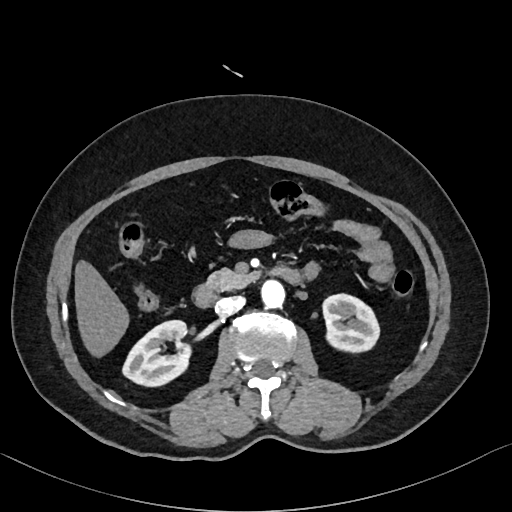

Abdominal CT — axial view — abdomen soft-tissue window — 15 organs annotated in this scan (a whole-scan count: organs this slice does not pass through have no box)
<organs><organ name="right kidney" x1="122" y1="319" x2="191" y2="388"/><organ name="left kidney" x1="322" y1="293" x2="380" y2="352"/><organ name="liver" x1="75" y1="259" x2="130" y2="356"/><organ name="aorta" x1="261" y1="279" x2="285" y2="309"/><organ name="inferior vena cava" x1="215" y1="296" x2="244" y2="316"/><organ name="pancreas" x1="205" y1="269" x2="255" y2="291"/><organ name="duodenum" x1="192" y1="266" x2="303" y2="307"/></organs>